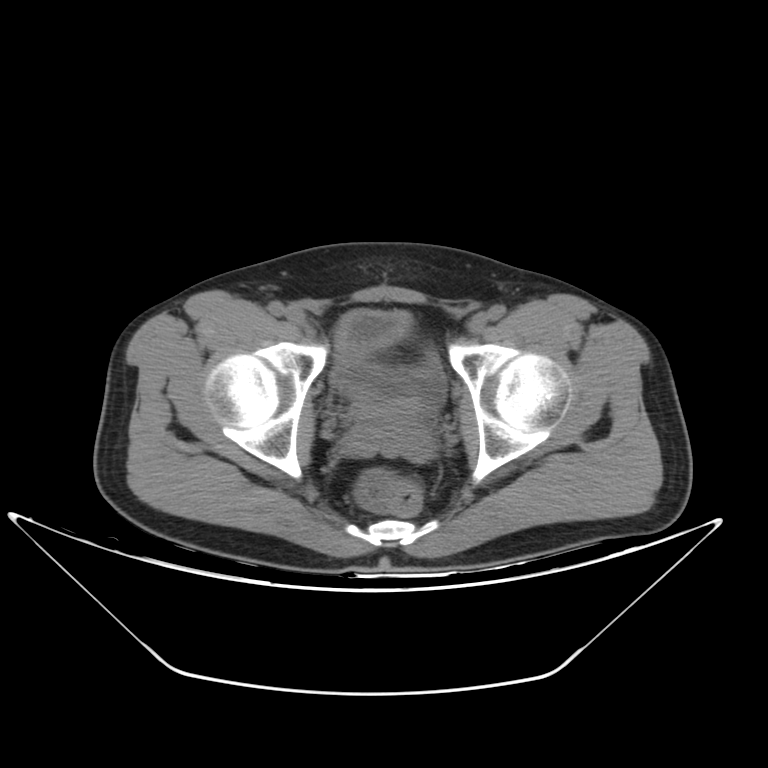
Computed tomography, abdomen — Axial slice 29/104 — 768x768 px — 53-year-old male patient — 15 organs annotated in this scan (a whole-scan count: organs this slice does not pass through have no box)
Boxes: x1:y1:x2:y2 in pixels. 2 labeled organs on this slice — prostate/uterus at 357:399:421:425; bladder at 332:310:445:408.